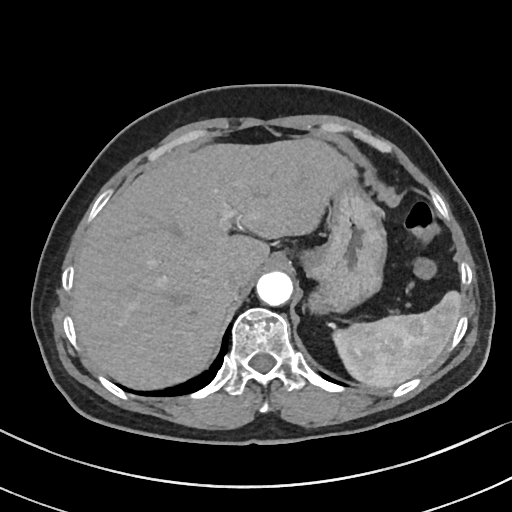 Abdominal CT. Axial slice 178/294
Box edges are left/top/right/bottom in pixels.
aorta: left=256, top=272, right=292, bottom=306
liver: left=71, top=139, right=357, bottom=388
inferior vena cava: left=223, top=266, right=251, bottom=290
spleen: left=330, top=291, right=461, bottom=388
stomach: left=301, top=186, right=387, bottom=314